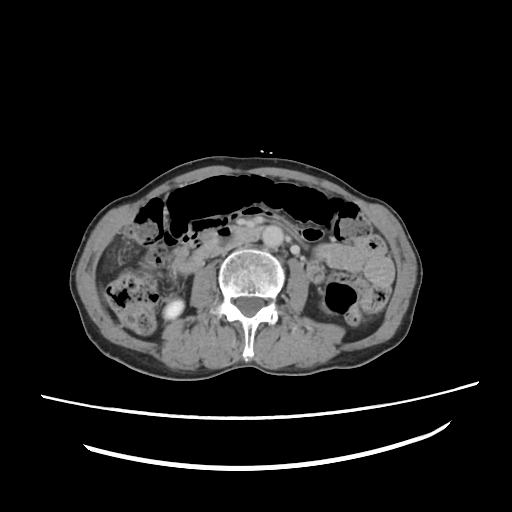 Abdominal CT — axial view — W/L 400/40 HU — 72-year-old male patient — scan has 15 labeled organs (that count is for the whole scan; organs this slice misses have no box)
One row per box, in pixels: columns x1 and y1 give the top-left corner, x2 and y2 the bottom-right.
| organ | x1 | y1 | x2 | y2 |
|---|---|---|---|---|
| right kidney | 163 | 298 | 185 | 320 |
| inferior vena cava | 211 | 242 | 244 | 254 |
| duodenum | 175 | 226 | 257 | 272 |
| aorta | 260 | 225 | 284 | 247 |
| liver | 103 | 292 | 108 | 302 |